CT, abdomen/pelvis. Axial slice 157/231. 512x512 px. SOMATOM Force scanner. scan has 15 labeled organs (a whole-scan count: organs this slice does not pass through have no box)
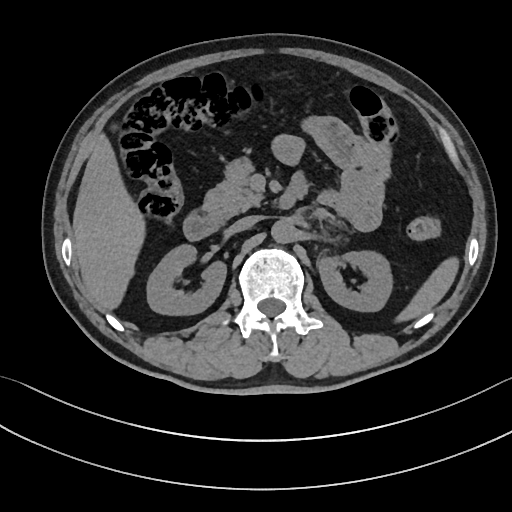
<organs><organ name="liver" x1="72" y1="134" x2="145" y2="310"/><organ name="spleen" x1="396" y1="257" x2="459" y2="321"/><organ name="left kidney" x1="317" y1="251" x2="392" y2="311"/><organ name="right kidney" x1="147" y1="244" x2="226" y2="315"/><organ name="inferior vena cava" x1="228" y1="215" x2="259" y2="233"/><organ name="pancreas" x1="203" y1="158" x2="264" y2="217"/><organ name="duodenum" x1="183" y1="173" x2="307" y2="240"/><organ name="stomach" x1="284" y1="79" x2="297" y2="91"/><organ name="aorta" x1="271" y1="219" x2="296" y2="243"/></organs>